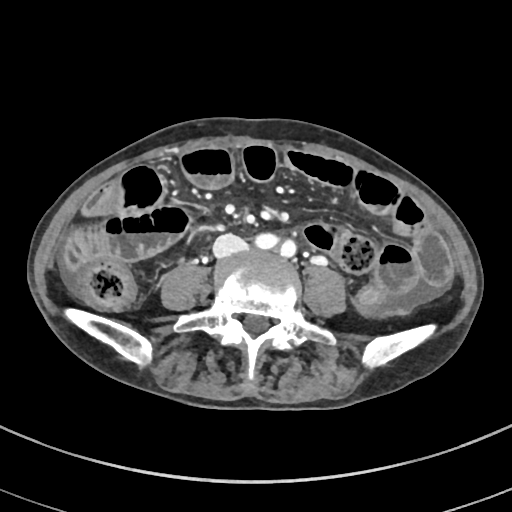
Abdominal CT; axial view; W/L 400/40 HU; SOMATOM Force scanner
Coordinates as <box>x1,y1,x2,y2</box> in pixels.
inferior vena cava: <box>214,235,243,256</box>